Abdominal CT. axial view. soft-tissue window. 512x512 px
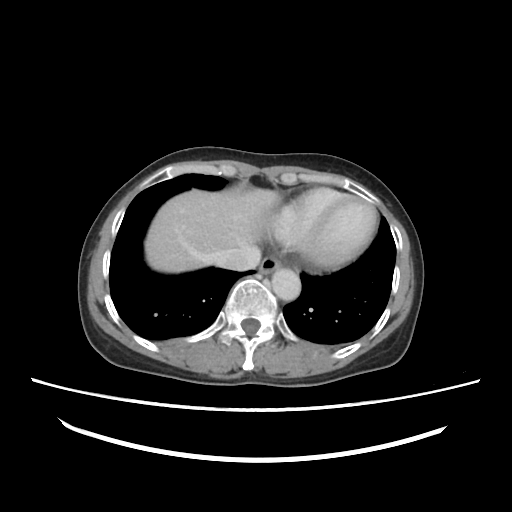
Bounding boxes as [x1, y1, x2, y2] in pixel coordinates. 4 labeled organs on this slice — esophagus at [258, 255, 282, 274]; liver at [145, 188, 281, 272]; aorta at [270, 269, 300, 300]; inferior vena cava at [212, 246, 261, 270].